Abdominal CT; axial view; abdomen soft-tissue window; scan has 15 labeled organs (that count is for the whole scan; organs this slice misses have no box)
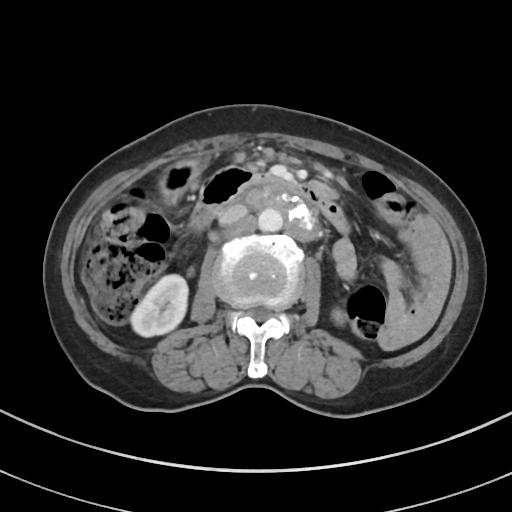 Each box given as x1,y1,x2,y2.
Organ bounding boxes:
- right kidney: x1=131, y1=275, x2=188, y2=336
- left kidney: x1=333, y1=310, x2=344, y2=323
- stomach: x1=158, y1=159, x2=205, y2=201
- aorta: x1=258, y1=208, x2=282, y2=231
- inferior vena cava: x1=219, y1=204, x2=246, y2=222
- duodenum: x1=191, y1=167, x2=350, y2=233